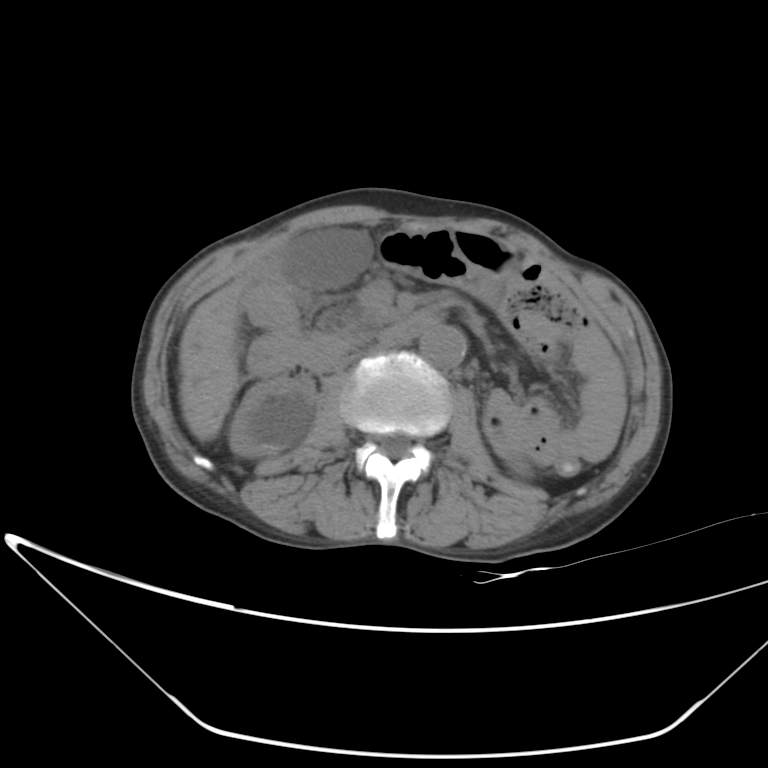
Abdominal CT; axial view; 66-year-old male patient
Boxes: x1 y1 x2 y2 (pixel coords, space-separated).
liver: 179 289 239 441
inferior vena cava: 331 344 382 369
aorta: 419 325 467 368
left kidney: 508 456 528 474
duodenum: 296 310 438 371
right kidney: 229 378 314 457
gall bladder: 287 231 369 288